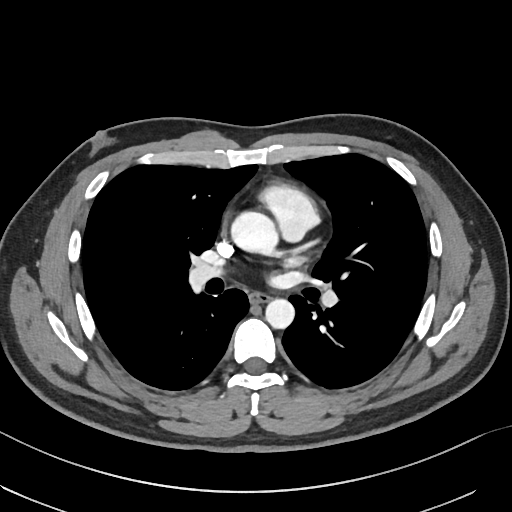 Chest-level slice from an abdominal CT that extends up into the chest · Axial slice 239/307 · soft-tissue window, W/L 400/40 · 512x512 px · acquired on SOMATOM Force
On a slice this high in the chest, this dataset labels only the esophagus and the aorta, and each is boxed only where it is labeled; the heart, lungs and other chest structures are not labeled.
{"organs":{"esophagus":[250,292,270,302],"aorta":[[231,211,277,255],[265,298,294,328]]}}